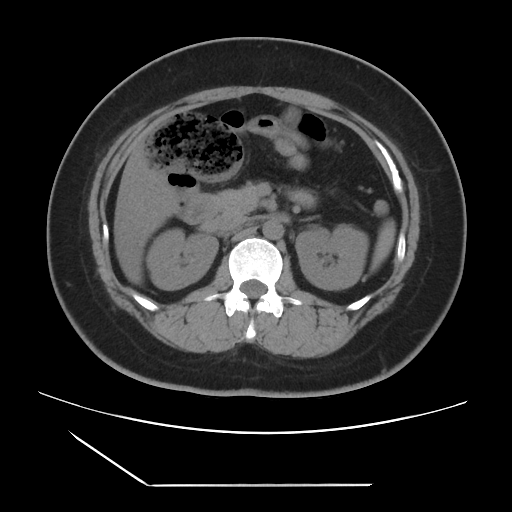
CT, abdomen/pelvis · Axial slice 58/88 · 15 organs annotated in this scan (that count is for the whole scan; organs this slice misses have no box)
{"organs":{"spleen":[372,220,395,268],"right kidney":[146,228,218,290],"left kidney":[295,225,368,290],"liver":[113,145,178,284],"aorta":[262,220,283,239],"inferior vena cava":[213,212,246,231],"pancreas":[207,183,315,213],"duodenum":[180,195,217,224]}}